Computed tomography, abdomen · Axial slice 23/94
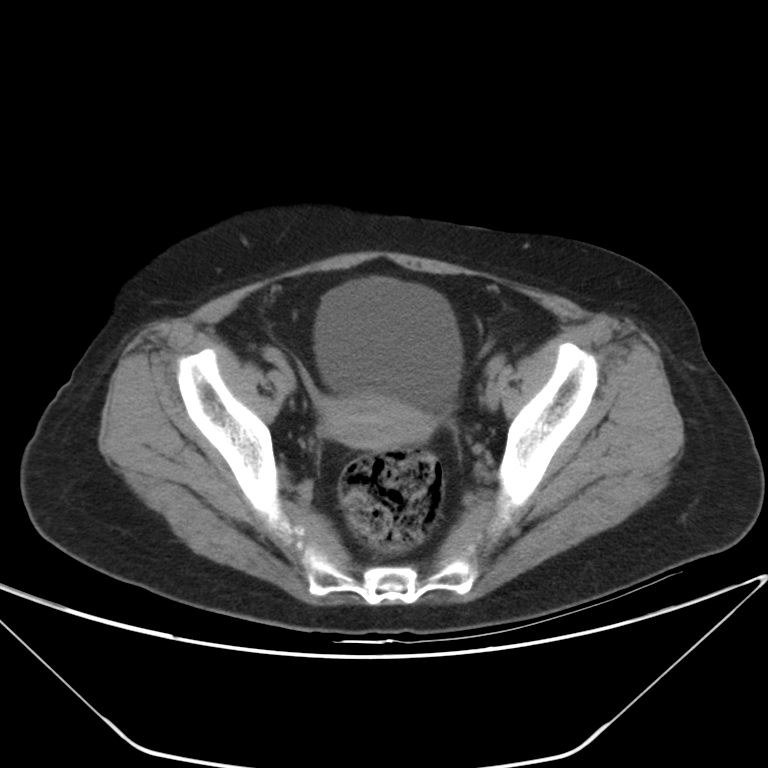 Box edges are left/top/right/bottom in pixels.
Organ bounding boxes:
- bladder: left=314, top=278, right=461, bottom=410
- prostate/uterus: left=322, top=394, right=431, bottom=450